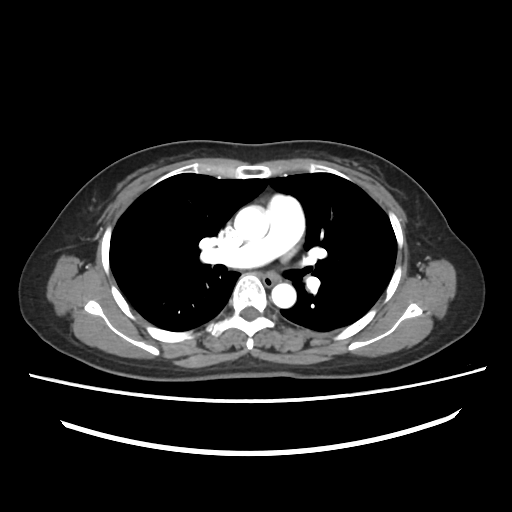
Chest-level CT slice, above the liver and spleen; axial view; W/L 400/40 HU; 512x512 px; 45-year-old female patient; 15 organs annotated in this scan (that count is for the whole scan; organs this slice misses have no box)
On a slice this high in the chest, this dataset labels only the esophagus and the aorta, and each is boxed only where it is labeled; the heart, lungs and other chest structures are not labeled.
Boxes: x1:y1:x2:y2 in pixels.
esophagus: 263:275:275:287
aorta: 234:205:269:241
aorta: 271:283:296:308